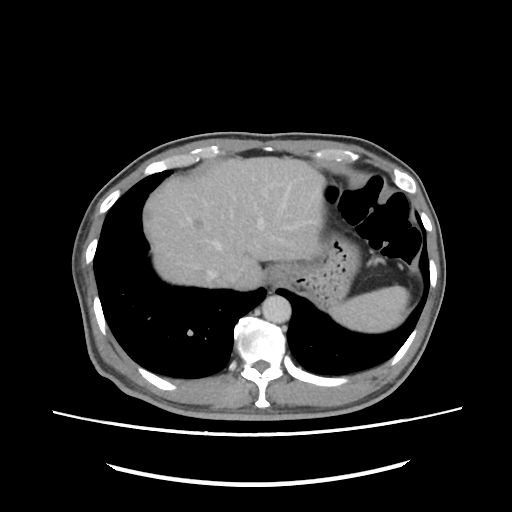

Abdominal CT · axial plane, index 80 · 512x512 px · 54-year-old male patient
Boxes: x1:y1:x2:y2 in pixels.
Organ bounding boxes:
- stomach: 278:235:359:305
- liver: 143:156:325:289
- aorta: 262:295:291:323
- esophagus: 266:265:286:285
- spleen: 330:285:408:332
- inferior vena cava: 213:269:242:286